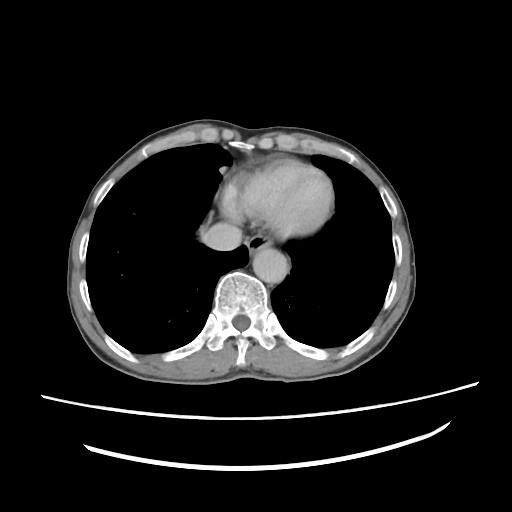

Lower-chest slice from an abdominal CT, just above the liver and spleen; axial view; soft-tissue window, W/L 400/40; 512x512 px; 72-year-old male patient; Aquilion ONE scanner
Of the structures in the chest, this dataset labels only the esophagus, the aorta and the inferior vena cava; the heart and lungs have no label.
{"organs":{"esophagus":[247,232,271,253],"aorta":[253,246,288,283],"inferior vena cava":[201,223,242,251]}}